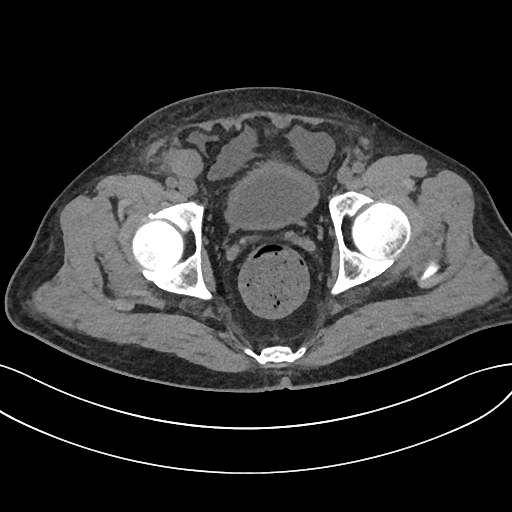
CT abdomen — axial view — acquired on SOMATOM Force
Box edges are left/top/right/bottom in pixels. 1 labeled organ on this slice — bladder at left=227, top=162, right=317, bottom=229.